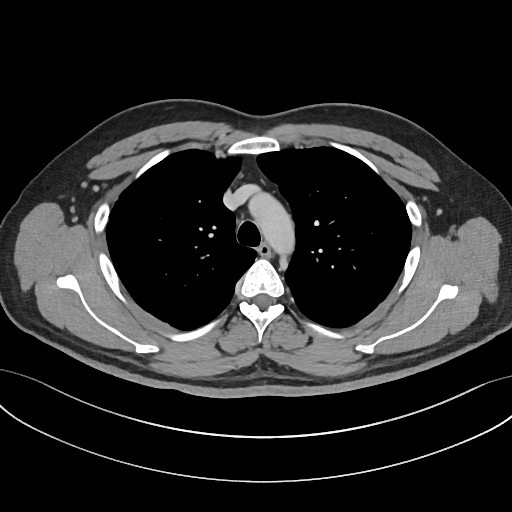 CT of the abdomen extending into the chest, slice through the chest · axial plane, index 305 · W/L 400/40 HU
At this level of the chest this dataset labels only the esophagus and the aorta, and each is boxed only where it is labeled; the heart and lungs are never labeled.
{"organs":{"esophagus":[257,242,271,255],"aorta":[250,190,294,256]}}